CT of the abdomen extending into the chest, slice through the chest; axial plane, index 117; Aquilion ONE scanner; 15 organs annotated in this scan (a whole-scan count: organs this slice does not pass through have no box)
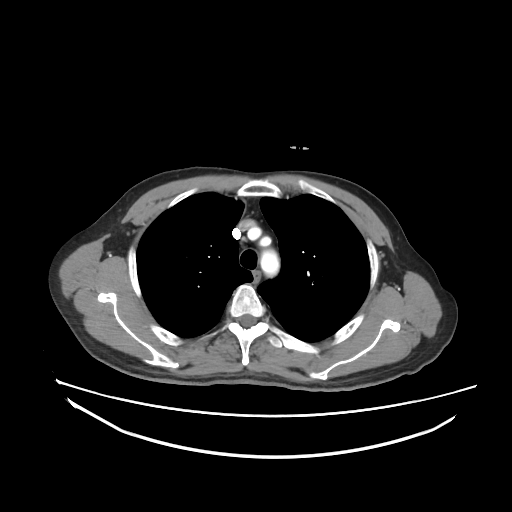 On a slice this high in the chest, this dataset labels only the esophagus and the aorta, and each is boxed only where it is labeled; the heart, lungs and other chest structures are not labeled.
Each box given as x1,y1,x2,y2.
Organ bounding boxes:
- esophagus: x1=252, y1=270, x2=260, y2=282
- aorta: x1=260, y1=249, x2=279, y2=276